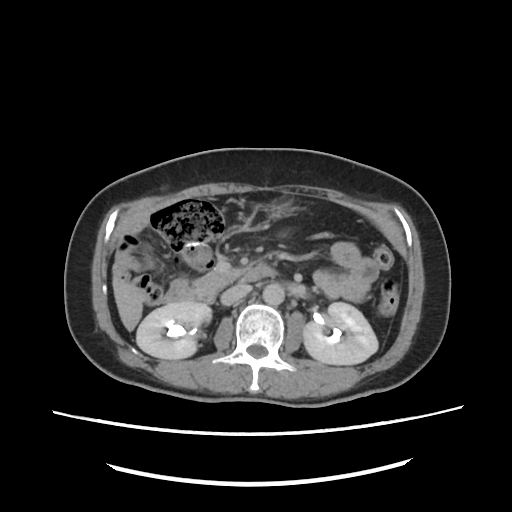
CT, abdomen/pelvis — axial view — W/L 400/40 HU — acquired on Aquilion ONE — scan has 15 labeled organs (counted over the whole 3D scan, not this slice; an organ is boxed only where this slice passes through it)
Boxes: x1 y1 x2 y2 (pixel coords, space-separated).
right kidney: 136 303 211 360
left kidney: 302 303 378 364
liver: 113 265 144 331
stomach: 262 194 300 218
aorta: 262 282 284 304
inferior vena cava: 222 284 250 304
pancreas: 195 268 248 292
duodenum: 164 265 279 304